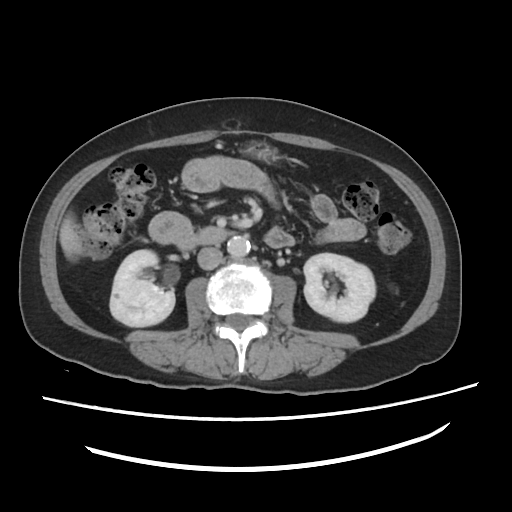

Computed tomography, abdomen · axial view · 512x512 px
{"organs":{"right kidney":[111,250,175,327],"left kidney":[303,254,374,322],"liver":[59,213,83,260],"stomach":[235,138,279,160],"aorta":[228,236,250,256],"inferior vena cava":[197,246,221,270],"duodenum":[195,227,226,247]}}